Computed tomography, abdomen — axial view — W/L 400/40 HU — SOMATOM Force scanner — 15 organs annotated in this scan (counted over the whole 3D scan, not this slice; an organ is boxed only where this slice passes through it)
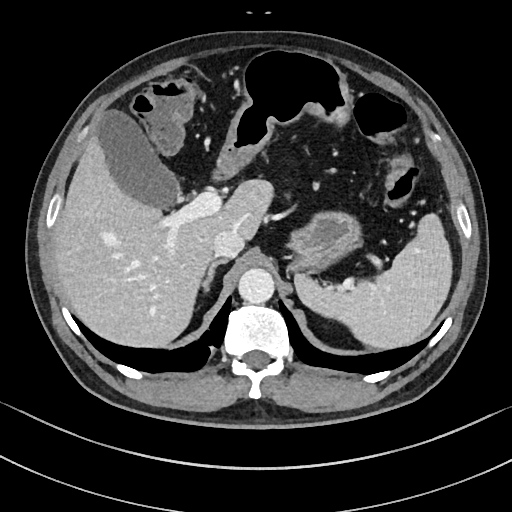 Boxes: x1:y1:x2:y2 in pixels. The annotated organs in this slice are: spleen at 295:213:451:349, gall bladder at 97:111:181:209, liver at 53:136:272:348, stomach at 219:49:361:271, aorta at 238:268:274:303, inferior vena cava at 212:229:244:257, right adrenal gland at 204:257:227:289, duodenum at 214:159:240:179.